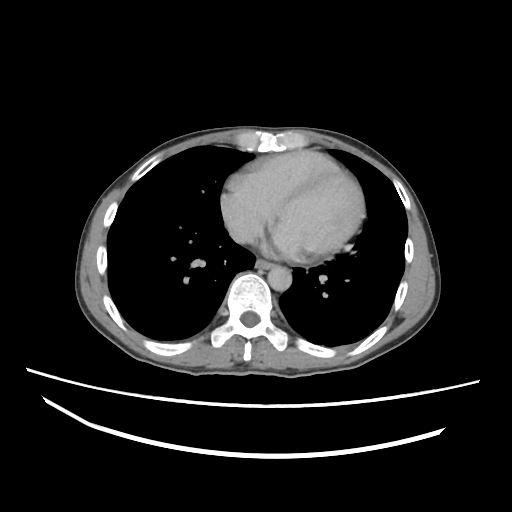

Lower-chest slice from an abdominal CT, just above the liver and spleen; Axial slice 101/101; 512x512 px; 40-year-old male patient
The heart and lungs are never labeled in this dataset, so they have no box on this slice.
{"organs":{"esophagus":[255,259,271,270],"inferior vena cava":[228,221,257,243],"aorta":[268,265,292,291]}}